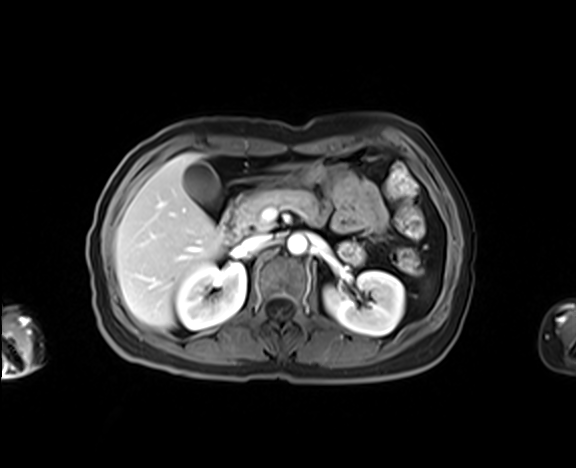
Abdominal MR; axial view; percentile-normalized; 576x468 px
One row per box, in pixels: columns x1 and y1 give the top-left corner, x2 and y2 the bottom-right.
| organ | x1 | y1 | x2 | y2 |
|---|---|---|---|---|
| liver | 115 | 153 | 226 | 328 |
| gall bladder | 183 | 161 | 219 | 204 |
| right kidney | 175 | 263 | 246 | 329 |
| pancreas | 237 | 189 | 318 | 231 |
| aorta | 287 | 233 | 307 | 254 |
| duodenum | 221 | 202 | 241 | 243 |
| stomach | 265 | 156 | 346 | 186 |
| inferior vena cava | 241 | 235 | 271 | 251 |
| left kidney | 324 | 271 | 404 | 335 |